Computed tomography, abdomen · axial view
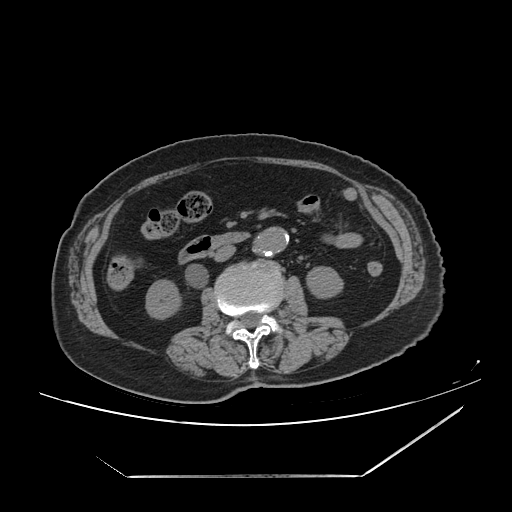
<organs><organ name="left kidney" x1="306" y1="266" x2="342" y2="298"/><organ name="right kidney" x1="146" y1="279" x2="181" y2="319"/><organ name="aorta" x1="253" y1="227" x2="288" y2="255"/><organ name="duodenum" x1="178" y1="232" x2="249" y2="263"/><organ name="inferior vena cava" x1="212" y1="245" x2="235" y2="261"/></organs>